CT abdomen. axial plane, index 128
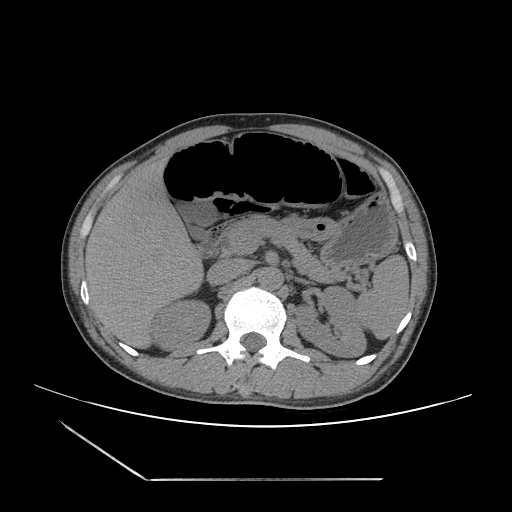 Organ boxes in pixel coordinates; each row gives the top-left (x1, y1) and bottom-right (x2, y2) corners.
| organ | x1 | y1 | x2 | y2 |
|---|---|---|---|---|
| gall bladder | 180 | 204 | 213 | 238 |
| liver | 85 | 157 | 201 | 347 |
| left adrenal gland | 301 | 280 | 305 | 282 |
| inferior vena cava | 207 | 259 | 247 | 285 |
| aorta | 258 | 267 | 282 | 290 |
| right kidney | 152 | 303 | 210 | 350 |
| left kidney | 296 | 286 | 367 | 357 |
| stomach | 282 | 197 | 396 | 264 |
| duodenum | 195 | 229 | 221 | 261 |
| spleen | 358 | 257 | 409 | 340 |
| pancreas | 220 | 215 | 351 | 283 |